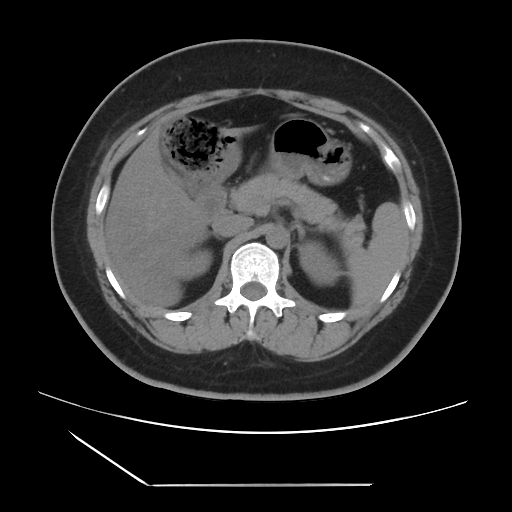

Abdominal CT · axial view
{"organs":{"spleen":[346,202,405,306],"right kidney":[176,249,212,279],"left kidney":[300,241,339,285],"gall bladder":[160,142,188,186],"liver":[104,128,245,308],"stomach":[266,117,351,185],"aorta":[265,225,288,248],"inferior vena cava":[212,214,252,237],"pancreas":[231,173,365,249],"right adrenal gland":[207,232,222,240],"left adrenal gland":[294,222,313,240],"duodenum":[194,183,226,220]}}